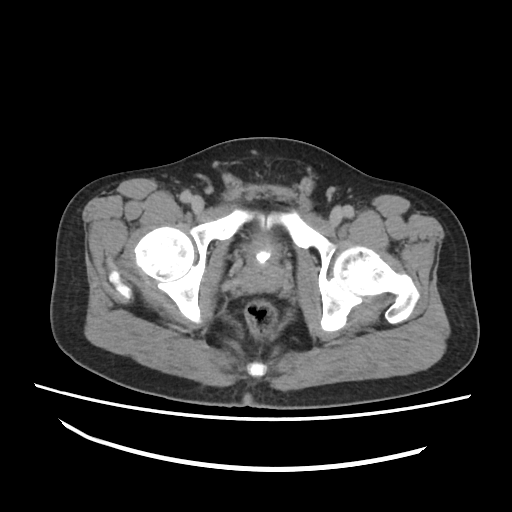 Computed tomography, abdomen; axial view; 44-year-old male patient
Boxes: x1 y1 x2 y2 (pixel coords, space-separated).
Organ bounding boxes:
- prostate/uterus: 239 263 283 292
- bladder: 249 239 273 263